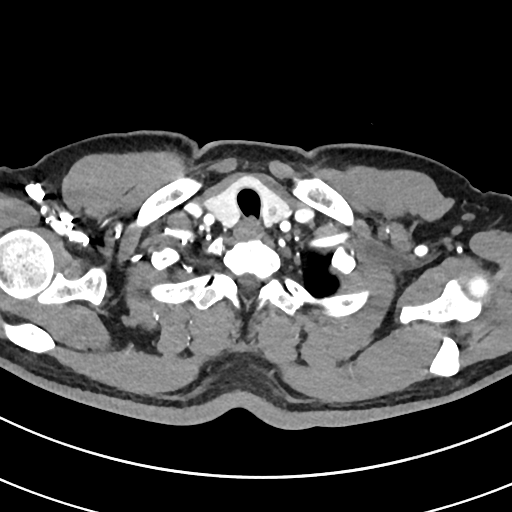 Chest-level CT slice, above the liver and spleen — axial view
At this level of the chest this dataset labels only the esophagus and the aorta, and each is boxed only where it is labeled; the heart and lungs are never labeled.
One row per box, in pixels: columns x1 and y1 give the top-left corner, x2 and y2 the bottom-right.
| organ | x1 | y1 | x2 | y2 |
|---|---|---|---|---|
| esophagus | 234 | 219 | 261 | 240 |